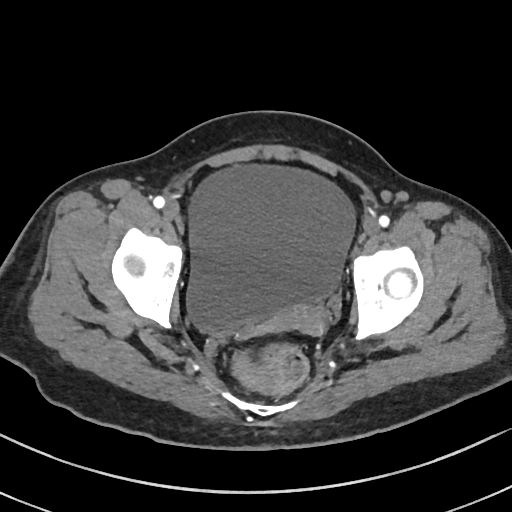
Abdominal CT. axial view. abdomen soft-tissue window. 512x512 px. SOMATOM Force scanner
<organs><organ name="prostate/uterus" x1="276" y1="304" x2="329" y2="334"/><organ name="bladder" x1="185" y1="165" x2="355" y2="336"/></organs>